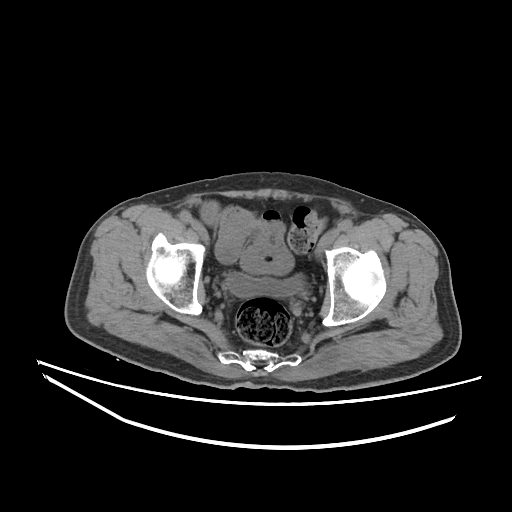

CT abdomen; axial view; 512x512 px; acquired on Aquilion ONE
One row per box, in pixels: columns x1 and y1 give the top-left corner, x2 and y2 the bottom-right.
| organ | x1 | y1 | x2 | y2 |
|---|---|---|---|---|
| bladder | 225 | 272 | 304 | 297 |